Abdominal CT · axial view · soft-tissue window · 37-year-old male patient · acquired on Brilliance16 · 15 organs annotated in this scan (counted over the whole 3D scan, not this slice; an organ is boxed only where this slice passes through it)
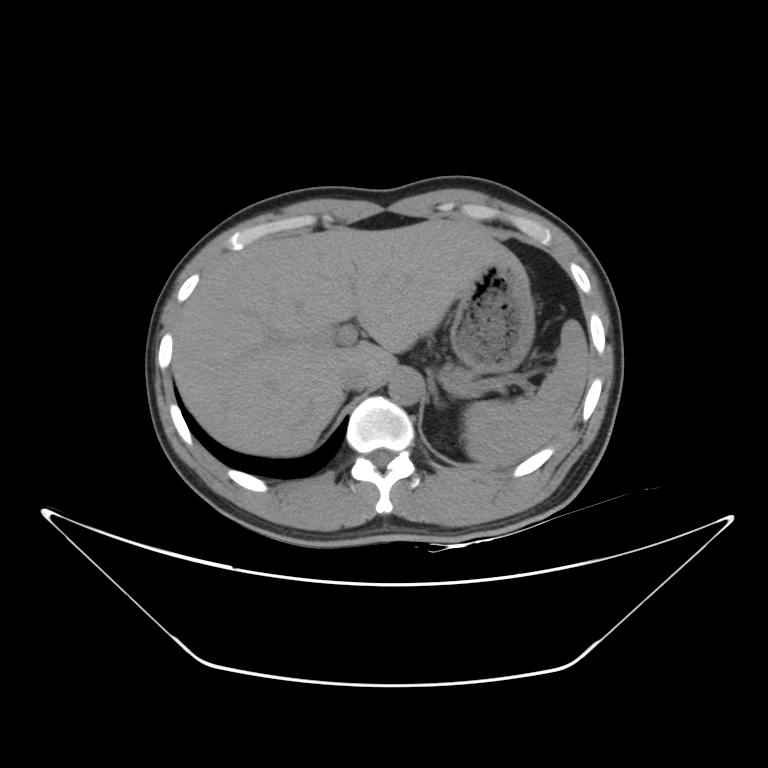

One row per box, in pixels: columns x1 and y1 give the top-left corner, x2 and y2 the bottom-right.
| organ | x1 | y1 | x2 | y2 |
|---|---|---|---|---|
| spleen | 461 | 320 | 589 | 467 |
| liver | 173 | 220 | 521 | 456 |
| stomach | 450 | 264 | 534 | 373 |
| aorta | 389 | 373 | 423 | 404 |
| inferior vena cava | 338 | 365 | 371 | 390 |
| pancreas | 444 | 365 | 473 | 382 |
| left adrenal gland | 433 | 390 | 445 | 406 |